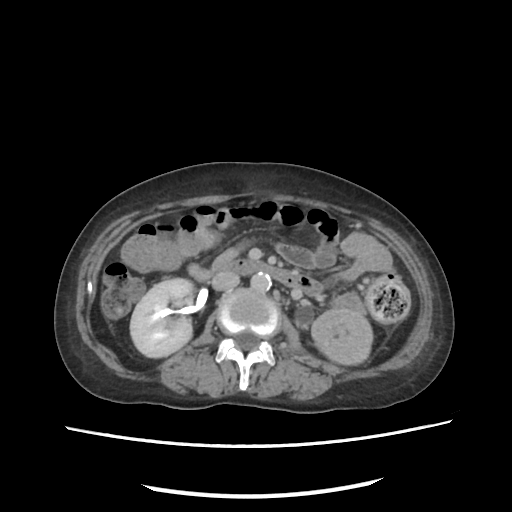

Computed tomography, abdomen; axial view; soft-tissue window
<organs><organ name="right kidney" x1="130" y1="278" x2="193" y2="357"/><organ name="left kidney" x1="311" y1="308" x2="372" y2="364"/><organ name="aorta" x1="250" y1="273" x2="271" y2="292"/><organ name="inferior vena cava" x1="212" y1="272" x2="239" y2="290"/><organ name="duodenum" x1="212" y1="259" x2="323" y2="295"/></organs>